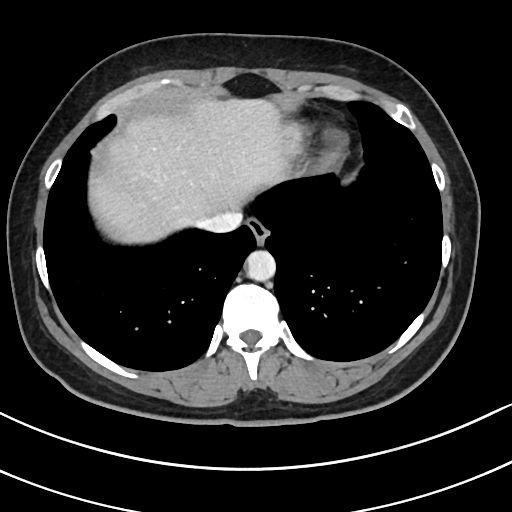
CT abdomen — axial plane, index 189 — 512x512 px — acquired on SOMATOM Force — scan has 15 labeled organs (counted over the whole 3D scan, not this slice; an organ is boxed only where this slice passes through it)
{"organs":{"esophagus":[246,218,268,244],"liver":[89,97,284,243],"aorta":[246,250,275,280],"inferior vena cava":[197,210,242,232]}}